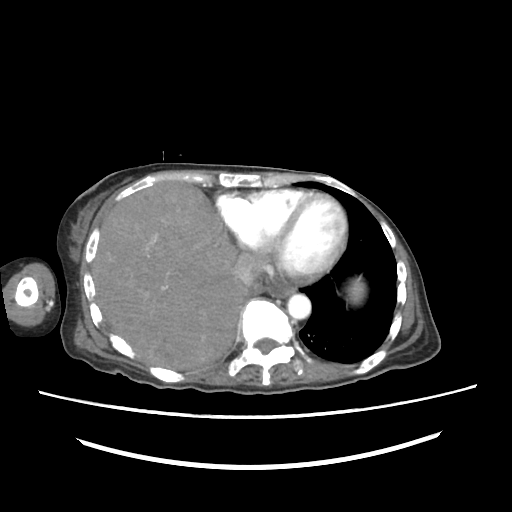 Computed tomography, abdomen · axial plane, index 79 · soft-tissue window
Each box given as x1,y1,x2,y2.
Organ bounding boxes:
- spleen: x1=350, y1=282, x2=363, y2=300
- esophagus: x1=261, y1=285, x2=296, y2=297
- liver: x1=92, y1=182, x2=247, y2=370
- aorta: x1=287, y1=294, x2=311, y2=319
- inferior vena cava: x1=232, y1=252, x2=262, y2=288